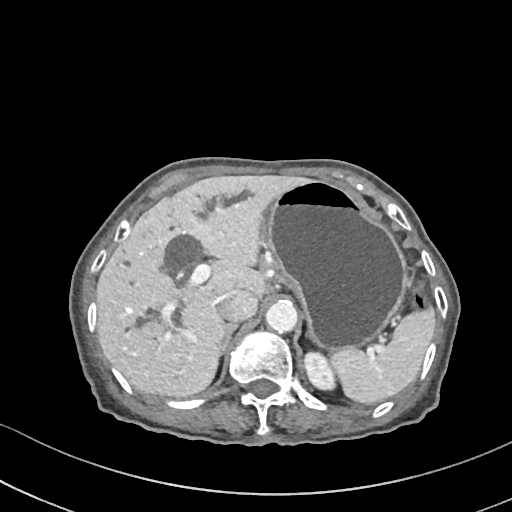 CT abdomen; axial view; soft-tissue window
Boxes: x1:y1:x2:y2 in pixels.
spleen: 329:307:435:404
left kidney: 305:351:335:391
liver: 96:174:314:398
stomach: 268:181:409:353
aorta: 265:300:297:333
inferior vena cava: 218:290:258:323
right adrenal gland: 226:324:236:345